CT, abdomen/pelvis. axial view. abdomen soft-tissue window. SOMATOM Force scanner
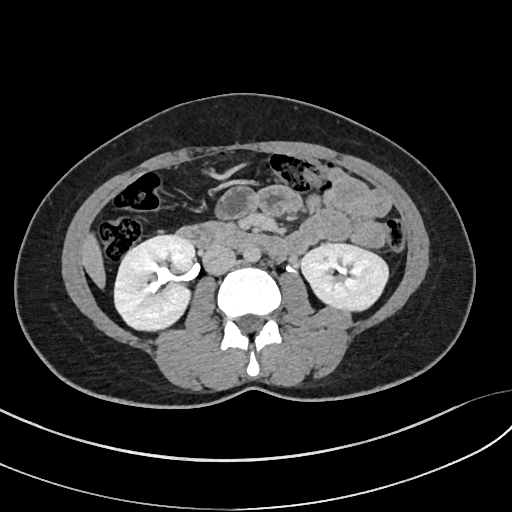

{"organs":{"right kidney":[114,235,194,330],"left kidney":[301,243,388,310],"liver":[81,234,105,288],"aorta":[243,246,260,262],"inferior vena cava":[202,245,235,274],"pancreas":[212,223,233,229],"duodenum":[177,223,288,258]}}